Abdominal CT; axial view; abdomen soft-tissue window
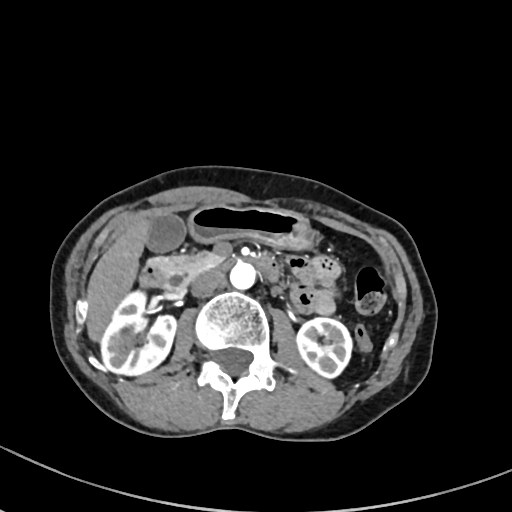

Coordinates as <box>x1,y1,x2,y2</box> in pixels.
right kidney: <box>101,290,176,375</box>
left kidney: <box>296,317,352,378</box>
gall bladder: <box>146,213,186,252</box>
liver: <box>86,218,149,341</box>
stomach: <box>188,205,315,249</box>
aorta: <box>230,264,255,289</box>
inferior vena cava: <box>191,271,225,296</box>
pancreas: <box>155,251,223,290</box>
duodenum: <box>139,258,279,287</box>